CT, abdomen/pelvis. axial view
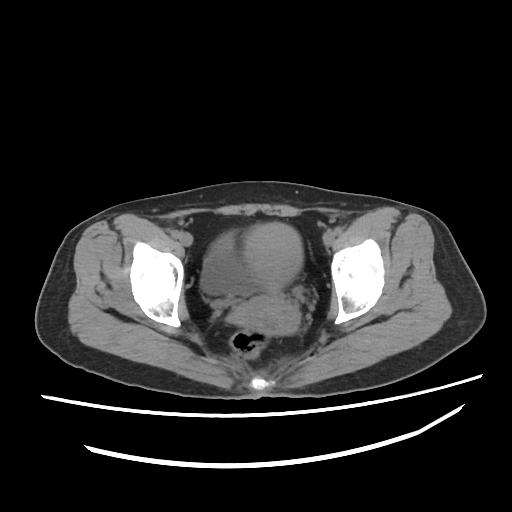
Boxes: x1 y1 x2 y2 (pixel coords, space-separated).
Organ bounding boxes:
- bladder: 201 228 258 296
- prostate/uterus: 226 222 304 334